CT abdomen — axial view — 512x512 px
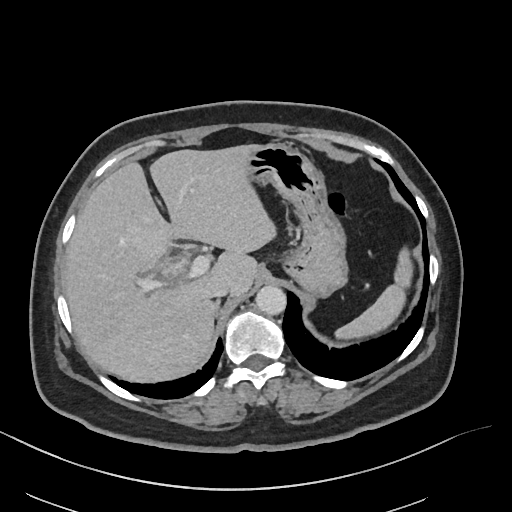

<organs><organ name="right adrenal gland" x1="215" y1="299" x2="219" y2="313"/><organ name="gall bladder" x1="160" y1="260" x2="180" y2="277"/><organ name="liver" x1="64" y1="144" x2="275" y2="383"/><organ name="inferior vena cava" x1="211" y1="282" x2="231" y2="298"/><organ name="stomach" x1="241" y1="143" x2="346" y2="298"/><organ name="spleen" x1="335" y1="248" x2="412" y2="339"/><organ name="aorta" x1="256" y1="286" x2="286" y2="314"/></organs>